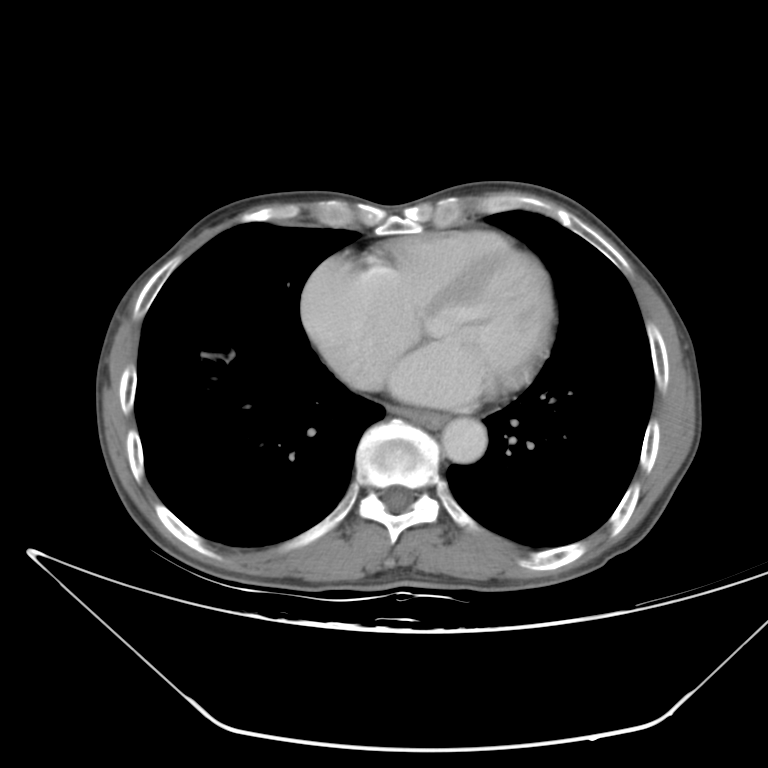 Abdominal CT; this slice is in the lower chest, just above the liver — axial view — 62-year-old male patient
The heart and lungs are never labeled in this dataset, so they have no box on this slice.
{"organs":{"aorta":[439,417,485,463],"esophagus":[390,405,449,427]}}